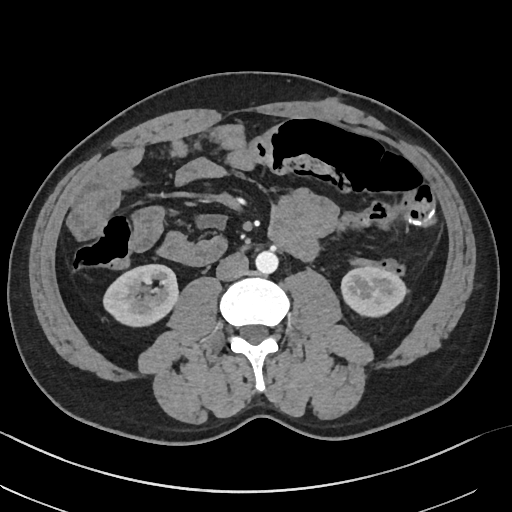 CT abdomen; Axial slice 128/307; soft-tissue window (W 400 / L 40); 512x512 px
Coordinates as <box>x1,y1,x2,y2</box> in pixels.
Organ bounding boxes:
- aorta: <box>255,251,278,274</box>
- inferior vena cava: <box>215,253,248,280</box>
- duodenum: <box>239,244,251,252</box>
- left kidney: <box>340,265,405,316</box>
- right kidney: <box>102,264,178,326</box>